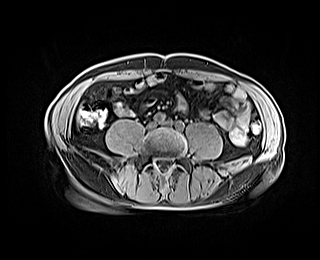
MRI, abdomen — axial view
Boxes: x1 y1 x2 y2 (pixel coords, space-separated).
Organ bounding boxes:
- liver: 77 114 79 120